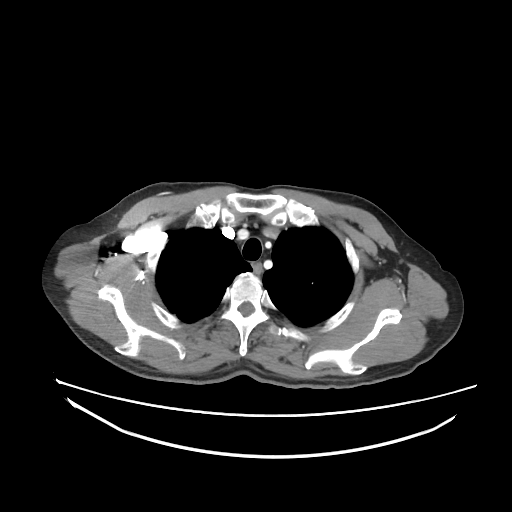

CT of the abdomen extending into the chest, slice through the chest; axial plane, index 122; soft-tissue window
At this level of the chest no structure but the esophagus and the aorta has a label in this dataset, and those two are boxed only where they are labeled. Coordinates as <box>x1,y1,x2,y2</box> in pixels. 1 labeled organ on this slice — esophagus at <box>251,262,260,273</box>.